Chest-level slice from an abdominal CT that extends up into the chest · axial plane, index 113 · 40-year-old male patient
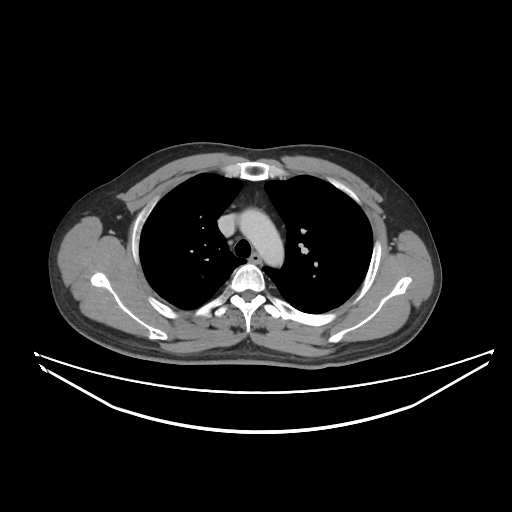 At this level of the chest this dataset labels only the esophagus and the aorta, and each is boxed only where it is labeled; the heart and lungs are never labeled. Boxes: x1:y1:x2:y2 in pixels. Labeled organs on this slice: esophagus at 250:253:260:262, aorta at 237:208:283:266.